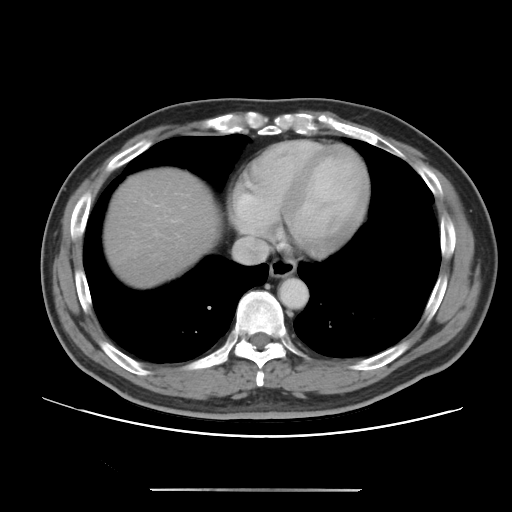 Computed tomography, abdomen. Axial slice 93/131. W/L 400/40 HU. SOMATOM Force scanner
<organs><organ name="esophagus" x1="269" y1="259" x2="296" y2="277"/><organ name="liver" x1="103" y1="167" x2="221" y2="288"/><organ name="aorta" x1="278" y1="278" x2="309" y2="309"/><organ name="inferior vena cava" x1="231" y1="236" x2="271" y2="265"/></organs>